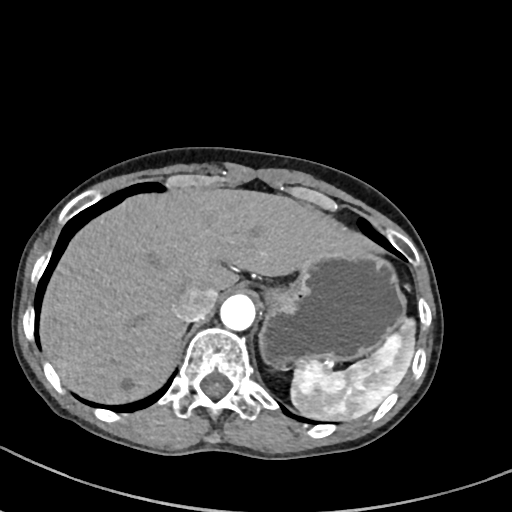

CT abdomen — axial view — W/L 400/40 HU — 512x512 px
<organs><organ name="spleen" x1="289" y1="320" x2="415" y2="421"/><organ name="aorta" x1="220" y1="295" x2="255" y2="331"/><organ name="stomach" x1="258" y1="252" x2="406" y2="367"/><organ name="liver" x1="41" y1="189" x2="381" y2="402"/><organ name="inferior vena cava" x1="175" y1="285" x2="218" y2="321"/></organs>